Abdominal MR. axial view. 1st–99th percentile window. scan has 13 labeled organs (a whole-scan count: organs this slice does not pass through have no box)
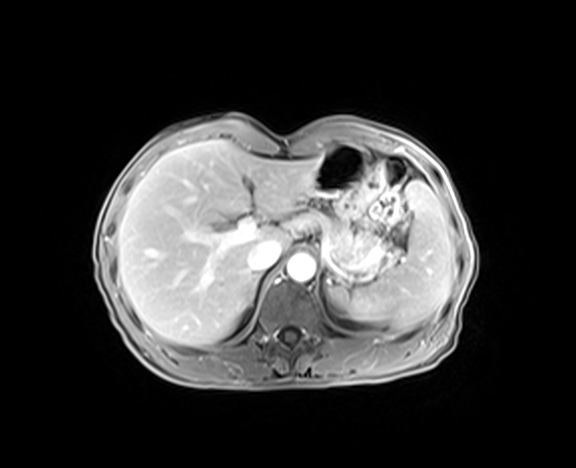
Bounding boxes in pixels, one row per box: x1, y1 is the top-left corner and x2, y2 the bottom-right.
| organ | x1 | y1 | x2 | y2 |
|---|---|---|---|---|
| spleen | 328 | 181 | 451 | 326 |
| liver | 117 | 139 | 321 | 346 |
| stomach | 308 | 143 | 368 | 199 |
| aorta | 287 | 255 | 315 | 281 |
| inferior vena cava | 248 | 239 | 281 | 272 |
| pancreas | 299 | 211 | 369 | 265 |
| right adrenal gland | 248 | 277 | 258 | 304 |
| left adrenal gland | 248 | 302 | 252 | 305 |